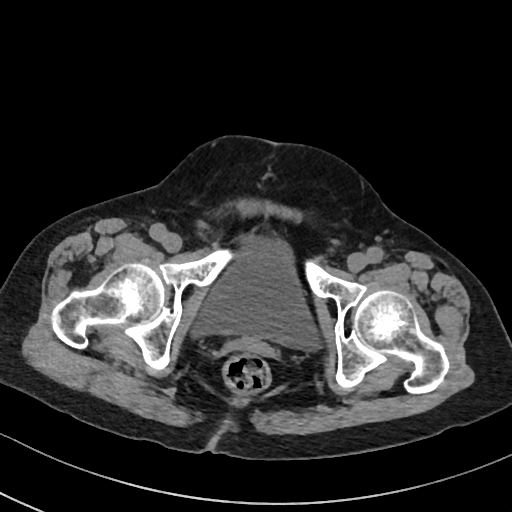 Abdominal CT — axial plane, index 34 — W/L 400/40 HU — SOMATOM Force scanner
Boxes: x1:y1:x2:y2 in pixels.
Organ bounding boxes:
- bladder: 196:235:311:345